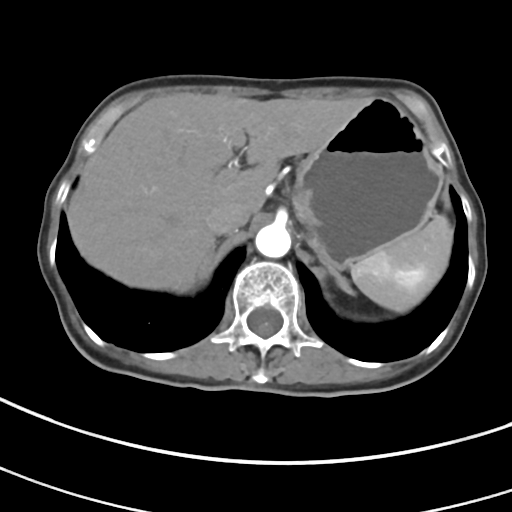 CT, abdomen/pelvis · axial plane, index 65 · 512x512 px · acquired on SOMATOM Force · 15 organs annotated in this scan (that count is for the whole scan; organs this slice misses have no box)
Boxes are (x1, y1, x2, y2) in pixels.
Organ bounding boxes:
- aorta: (255, 223, 290, 257)
- inferior vena cava: (206, 199, 250, 234)
- liver: (67, 93, 363, 292)
- stomach: (293, 98, 443, 269)
- spleen: (351, 214, 453, 312)
- left adrenal gland: (329, 268, 351, 293)
- right adrenal gland: (196, 244, 217, 280)